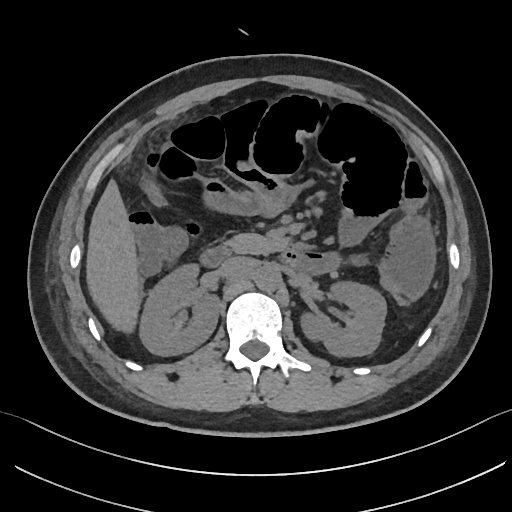
CT abdomen — axial view
Coordinates as <box>x1,y1,x2,y2</box> in pixels.
Organ bounding boxes:
- right kidney: <box>139,263,219,355</box>
- liver: <box>86,180,139,333</box>
- inferior vena cava: <box>219,256,255,276</box>
- left kidney: <box>300,281,386,356</box>
- aorta: <box>254,265,281,291</box>
- duodenum: <box>200,245,301,266</box>
- pancreas: <box>226,233,284,254</box>